Abdominal CT — axial view — 512x512 px — acquired on SOMATOM Force
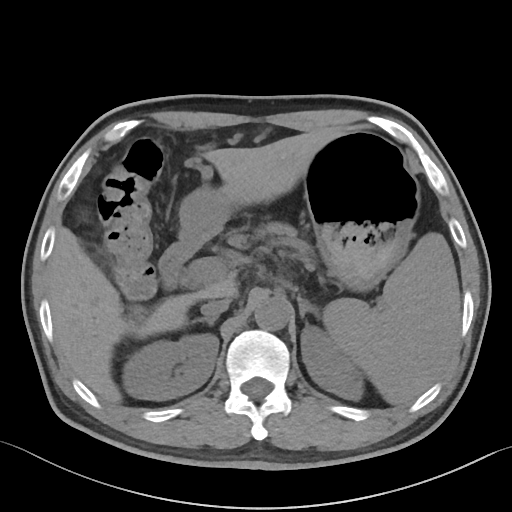 {"organs":{"spleen":[323,232,460,404],"right kidney":[122,334,218,400],"left kidney":[301,325,363,400],"liver":[47,129,343,403],"stomach":[180,131,419,291],"aorta":[254,298,289,330],"inferior vena cava":[200,298,230,316],"pancreas":[254,222,312,260],"right adrenal gland":[191,315,218,325],"left adrenal gland":[297,296,320,319],"duodenum":[158,229,212,288]}}